CT, abdomen/pelvis; axial plane, index 92; abdomen soft-tissue window; scan has 15 labeled organs (a whole-scan count: organs this slice does not pass through have no box)
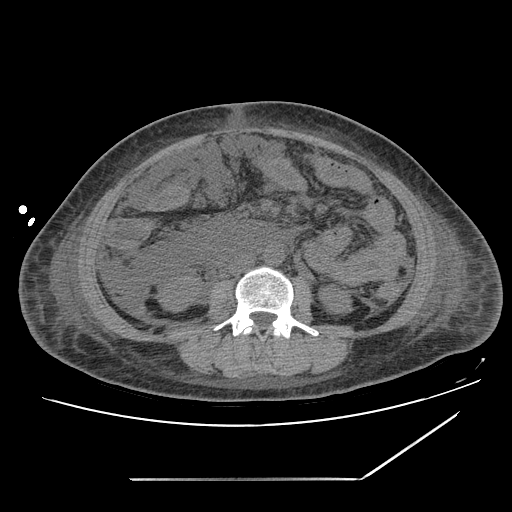

Boxes are (x1, y1, x2, y2) in pixels. The annotated organs in this slice are: inferior vena cava at (228, 254, 254, 274), right kidney at (158, 276, 201, 311), aorta at (263, 246, 283, 264), left kidney at (318, 284, 351, 314).